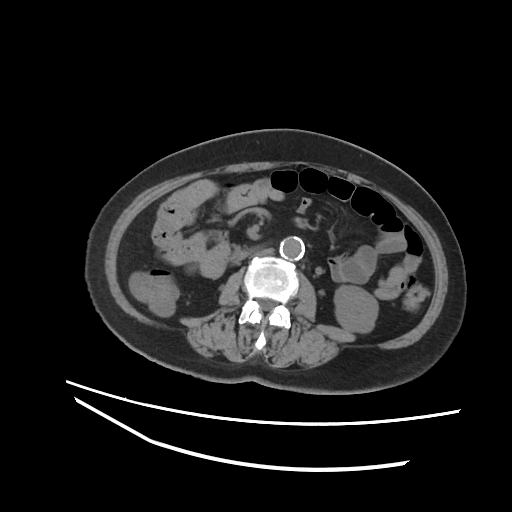
CT, abdomen/pelvis · axial plane, index 48 · 512x512 px
Each box given as x1,y1,x2,y2.
Organ bounding boxes:
- left kidney: x1=334, y1=286, x2=378, y2=332
- aorta: x1=279, y1=237, x2=304, y2=259
- inferior vena cava: x1=250, y1=248, x2=273, y2=257